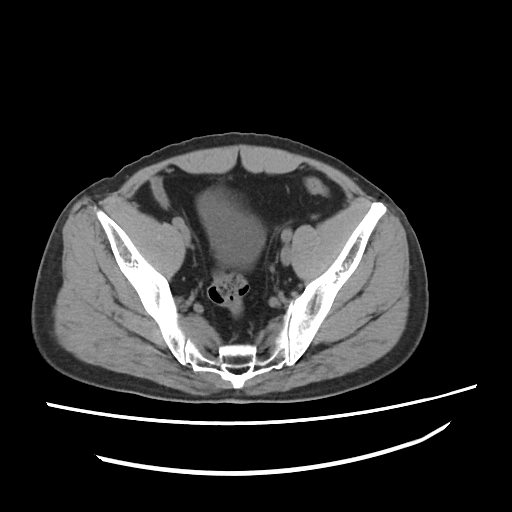
CT, abdomen/pelvis; axial plane, index 26; abdomen soft-tissue window; 512x512 px; 45-year-old male patient
Boxes: x1:y1:x2:y2 in pixels.
bladder: 195:194:263:267